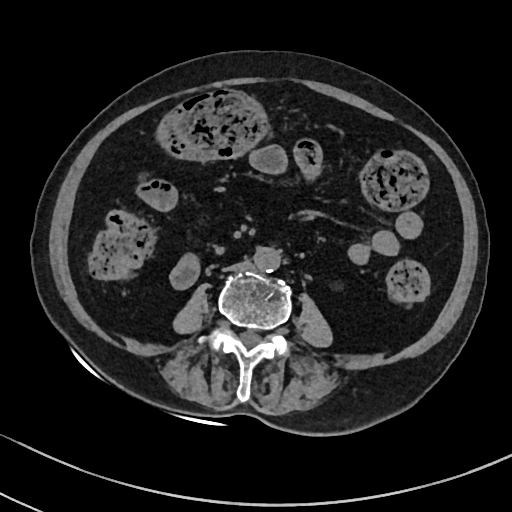

Computed tomography, abdomen; axial view; W/L 400/40 HU; acquired on SOMATOM Force
Each box given as x1,y1,x2,y2.
Organ bounding boxes:
- aorta: x1=255, y1=246, x2=280, y2=272
- inferior vena cava: x1=223, y1=261, x2=251, y2=272